Computed tomography, abdomen — Axial slice 22/88 — abdomen soft-tissue window — 512x512 px
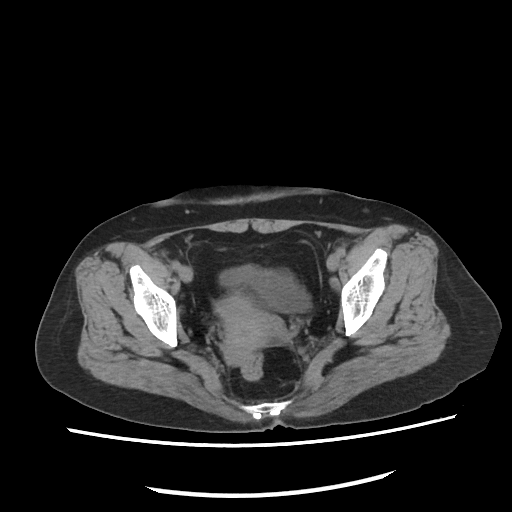
<organs><organ name="bladder" x1="216" y1="266" x2="317" y2="314"/><organ name="prostate/uterus" x1="220" y1="300" x2="282" y2="366"/></organs>